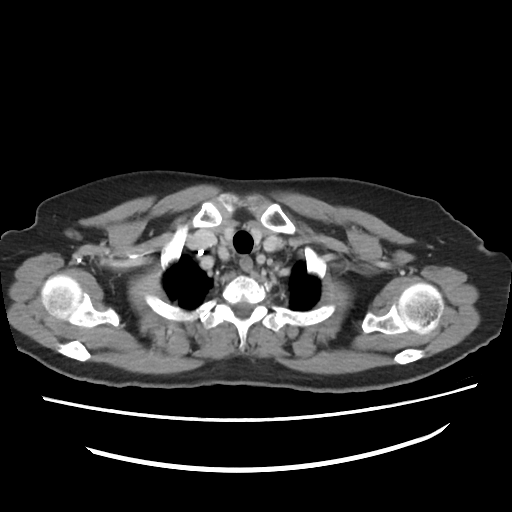

CT of the abdomen extending into the chest, slice through the chest — axial view — soft-tissue window — 512x512 px — acquired on Aquilion ONE
On a slice this high in the chest, this dataset labels only the esophagus and the aorta, and each is boxed only where it is labeled; the heart, lungs and other chest structures are not labeled.
One row per box, in pixels: columns x1 and y1 give the top-left corner, x2 and y2 the bottom-right.
| organ | x1 | y1 | x2 | y2 |
|---|---|---|---|---|
| esophagus | 240 | 258 | 252 | 269 |